CT, abdomen/pelvis — Axial slice 58/85 — abdomen soft-tissue window — 768x768 px
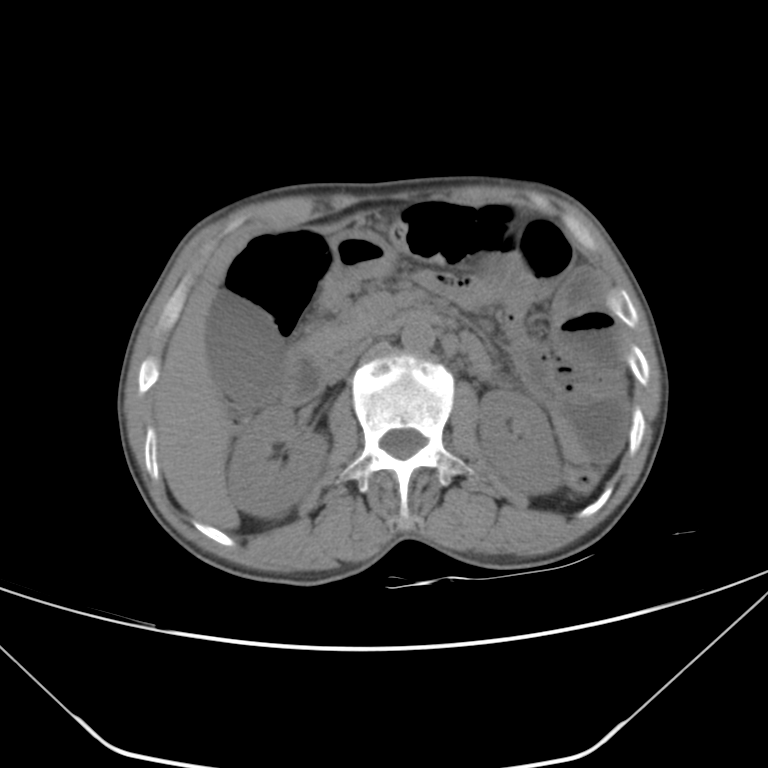

Box edges are left/top/right/bottom in pixels. 9 labeled organs on this slice — right kidney at left=226, top=404, right=328, bottom=517; left kidney at left=478, top=389, right=561, bottom=494; gall bladder at left=206, top=292, right=283, bottom=405; liver at left=154, top=225, right=339, bottom=529; stomach at left=321, top=228, right=395, bottom=305; aorta at left=401, top=320, right=435, bottom=353; inferior vena cava at left=327, top=339, right=371, bottom=380; pancreas at left=297, top=303, right=376, bottom=365; duodenum at left=282, top=309, right=438, bottom=405.